Computed tomography, abdomen — axial view — soft-tissue window (W 400 / L 40) — 40-year-old male patient — acquired on Brilliance16
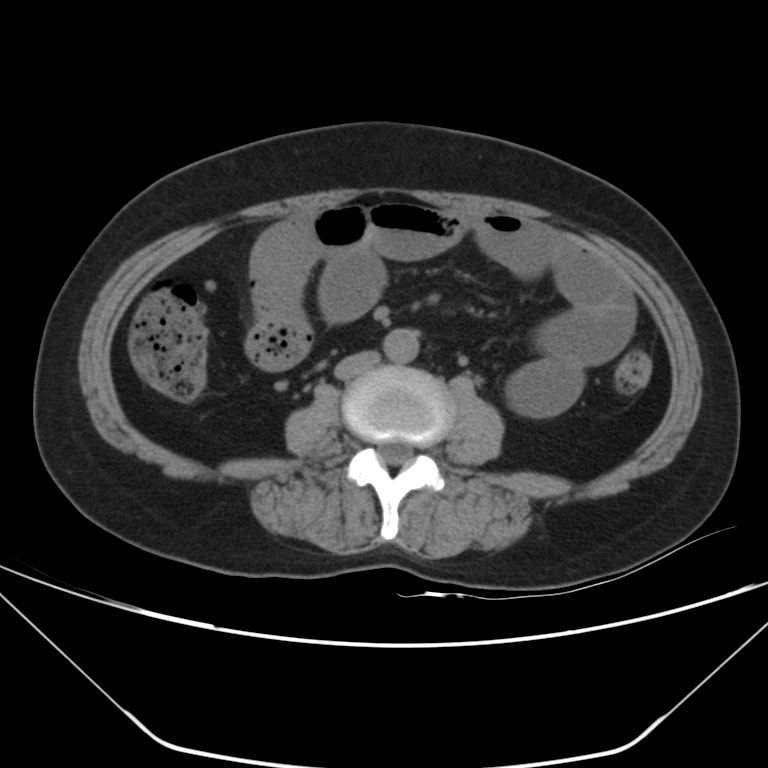 Boxes: x1 y1 x2 y2 (pixel coords, space-separated).
aorta: 383 327 418 362
inferior vena cava: 334 350 379 379